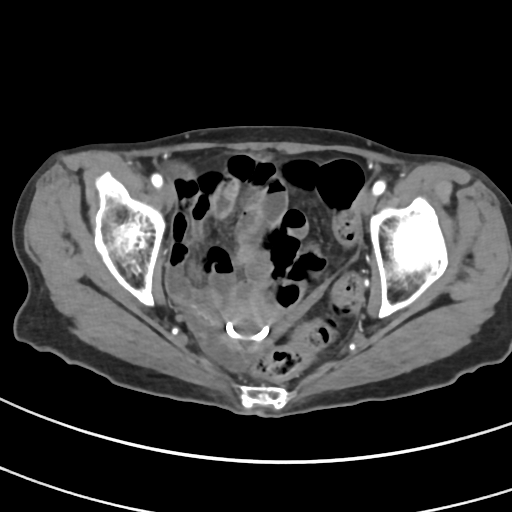 Computed tomography, abdomen; Axial slice 19/118; 512x512 px
{"organs":{"prostate/uterus":[214,302,282,351]}}